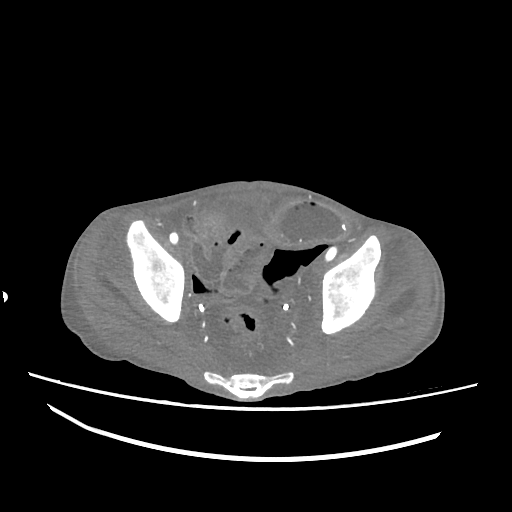

CT abdomen · axial plane, index 21 · 512x512 px · acquired on Aquilion ONE
{"organs":{"bladder":[216,198,245,210]}}